CT abdomen — axial view — scan has 14 labeled organs (a whole-scan count: organs this slice does not pass through have no box)
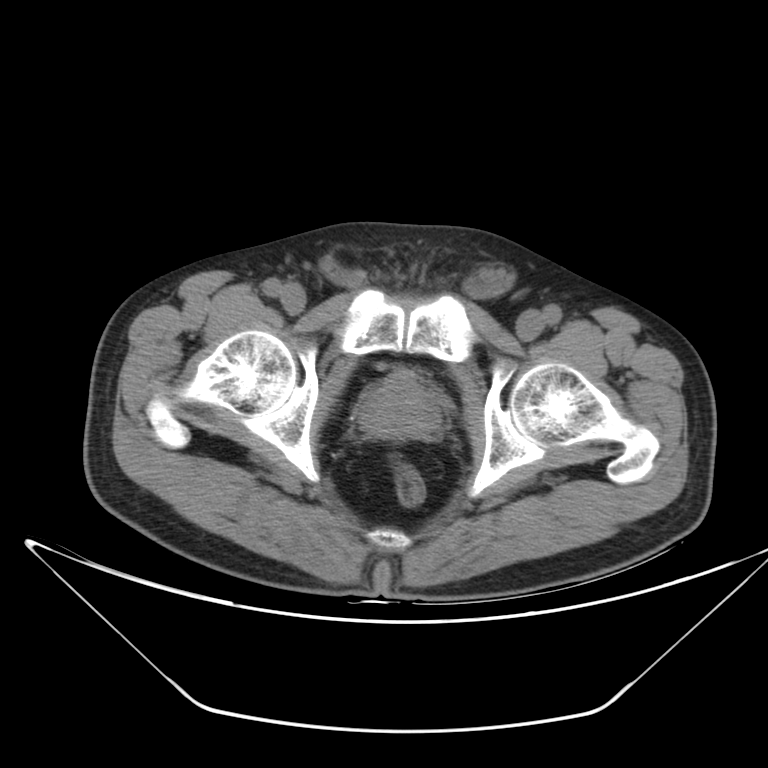
{"organs":{"prostate/uterus":[360,371,440,437]}}